CT, abdomen/pelvis · axial view · 512x512 px · 49-year-old female patient · acquired on Aquilion ONE
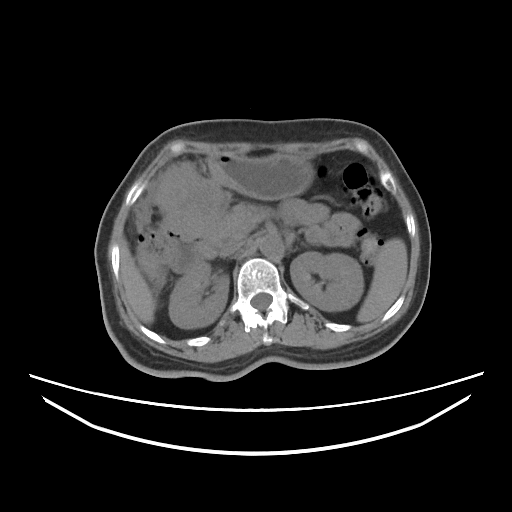 Bounding boxes as [x1, y1, x2, y2] in pixel coordinates.
spleen: [357, 238, 407, 322]
right kidney: [169, 262, 229, 328]
left kidney: [290, 252, 363, 311]
liver: [120, 240, 155, 323]
stomach: [158, 152, 314, 240]
aorta: [259, 236, 283, 259]
inferior vena cava: [220, 240, 245, 257]
pancreas: [206, 204, 256, 248]
duodenum: [169, 234, 204, 272]